Abdominal MRI — Axial slice 50/72 — 1st–99th percentile window — Prisma scanner — 13 organs annotated in this scan (a whole-scan count: organs this slice does not pass through have no box)
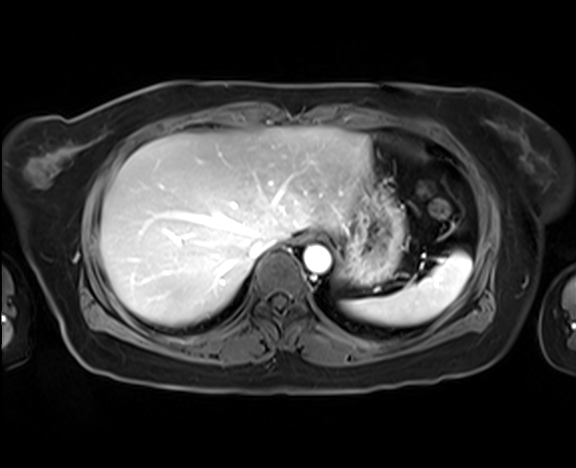

{"organs":{"spleen":[343,252,471,325],"inferior vena cava":[249,237,278,259],"esophagus":[301,231,321,241],"aorta":[304,245,330,274],"stomach":[339,172,405,284],"liver":[101,127,370,325]}}